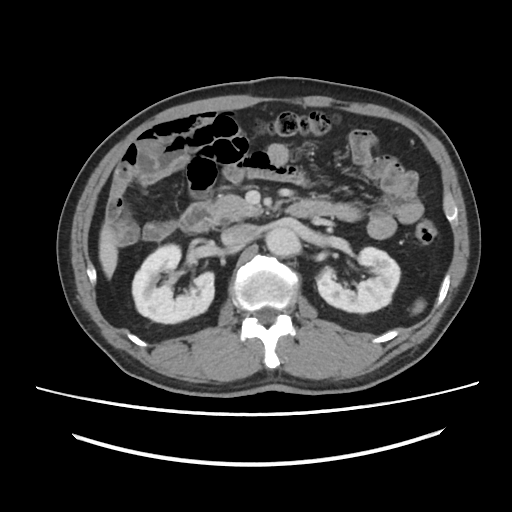

Computed tomography, abdomen · Axial slice 61/124 · abdomen soft-tissue window · 512x512 px · 58-year-old male patient · 14 organs annotated in this scan (a whole-scan count: organs this slice does not pass through have no box)
Boxes are (x1, y1, x2, y2) in pixels.
Organ bounding boxes:
- spleen: (412, 299, 425, 314)
- right kidney: (132, 244, 214, 323)
- left kidney: (317, 247, 400, 313)
- liver: (99, 221, 117, 278)
- aorta: (266, 227, 299, 257)
- inferior vena cava: (221, 224, 257, 247)
- pancreas: (211, 194, 263, 221)
- duodenum: (179, 199, 330, 232)